CT abdomen. axial view. soft-tissue window (W 400 / L 40). 512x512 px. 15 organs annotated in this scan (that count is for the whole scan; organs this slice misses have no box)
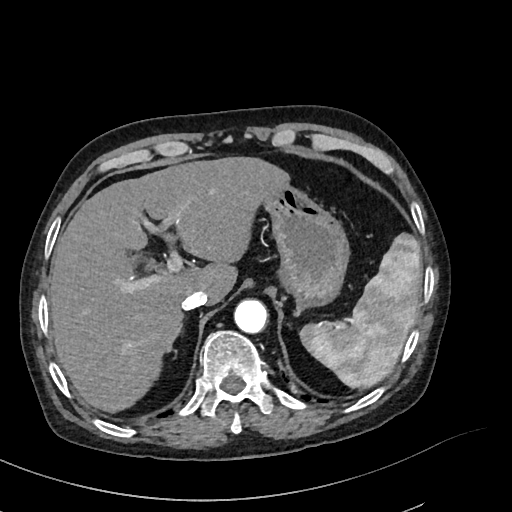

Boxes: x1:y1:x2:y2 in pixels. The annotated organs in this slice are: spleen at 299:233:421:389, liver at 49:157:287:412, stomach at 264:183:350:312, aorta at 234:300:267:333, inferior vena cava at 181:290:208:310, right adrenal gland at 166:322:184:350.